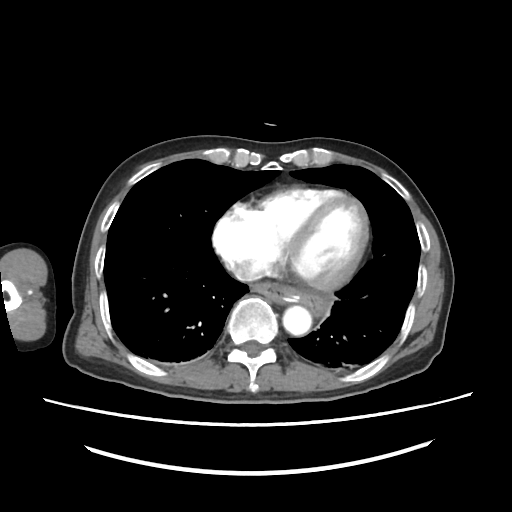
CT of the abdomen reaching into the lower chest, slice just above the liver and spleen · axial view · soft-tissue window (W 400 / L 40)
No part of the heart or lungs is labeled in this dataset, so neither has a box here.
Organ boxes in pixel coordinates; each row gives the top-left (x1, y1) and bottom-right (x2, y2) corners.
| organ | x1 | y1 | x2 | y2 |
|---|---|---|---|---|
| esophagus | 251 | 280 | 286 | 305 |
| aorta | 284 | 306 | 310 | 335 |
| inferior vena cava | 231 | 265 | 264 | 285 |